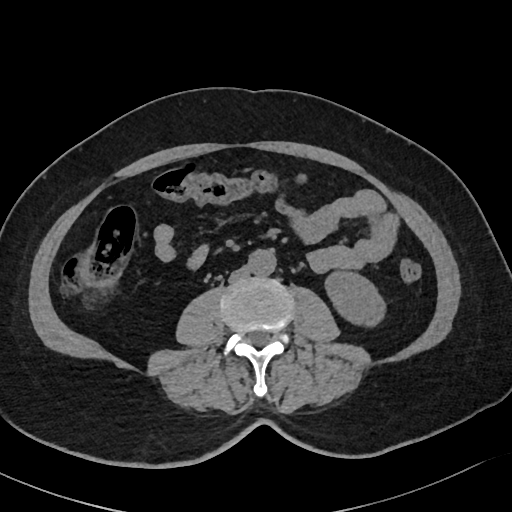

Abdominal CT · axial view · soft-tissue window · SOMATOM Force scanner
{"organs":{"aorta":[247,249,275,276],"inferior vena cava":[228,267,248,282],"left kidney":[323,270,386,326]}}